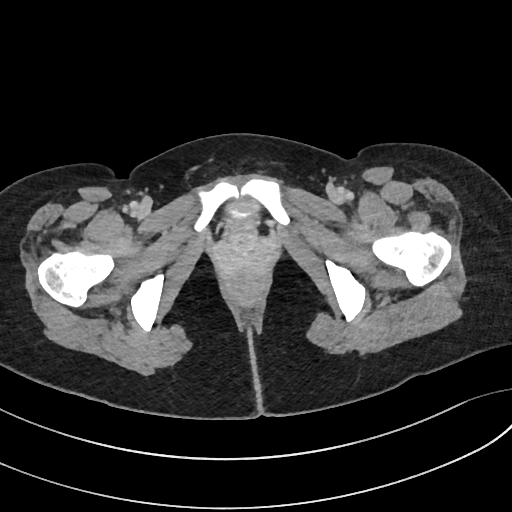 Computed tomography, abdomen. axial view
Bounding boxes in pixels, one row per box: x1, y1 is the top-left corner and x2, y2 the bottom-right.
| organ | x1 | y1 | x2 | y2 |
|---|---|---|---|---|
| bladder | 226 | 200 | 261 | 223 |